Abdominal CT. axial view. soft-tissue window. 512x512 px
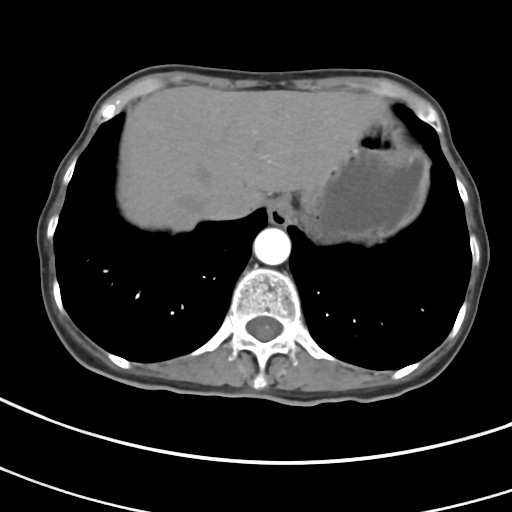

Bounding boxes in pixels, one row per box: x1, y1 is the top-left corner and x2, y2 the bottom-right.
| organ | x1 | y1 | x2 | y2 |
|---|---|---|---|---|
| esophagus | 268 | 196 | 292 | 225 |
| liver | 117 | 85 | 381 | 231 |
| stomach | 300 | 111 | 429 | 243 |
| aorta | 253 | 228 | 290 | 264 |
| inferior vena cava | 204 | 191 | 246 | 220 |